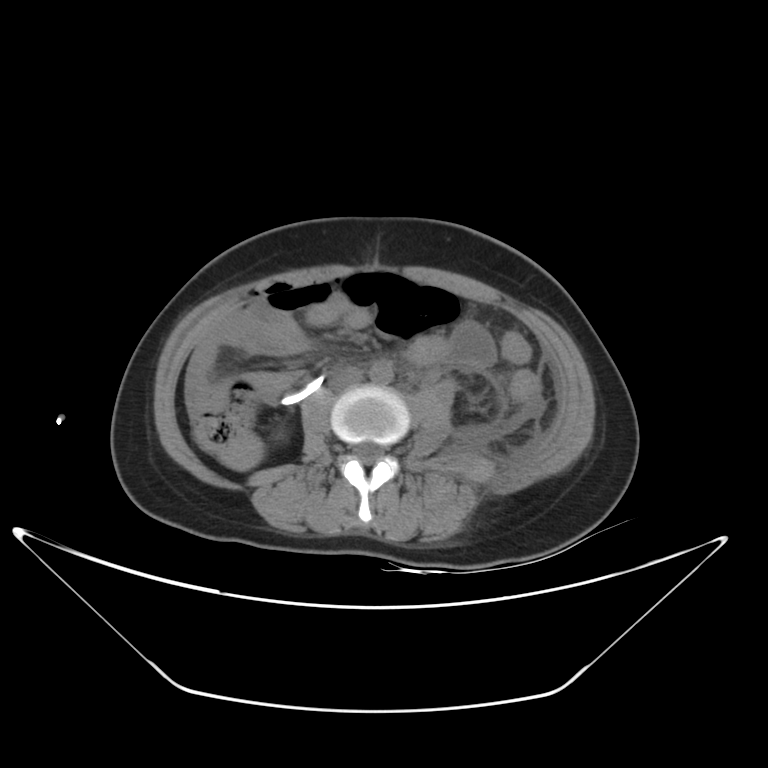

CT, abdomen/pelvis. axial view. soft-tissue window. acquired on Brilliance16
Boxes: x1:y1:x2:y2 in pixels.
duodenum: 279:372:324:407
inferior vena cava: 328:367:362:390
aorta: 369:361:393:384